CT, abdomen/pelvis — axial view — acquired on Brilliance16 — scan has 14 labeled organs (counted over the whole 3D scan, not this slice; an organ is boxed only where this slice passes through it)
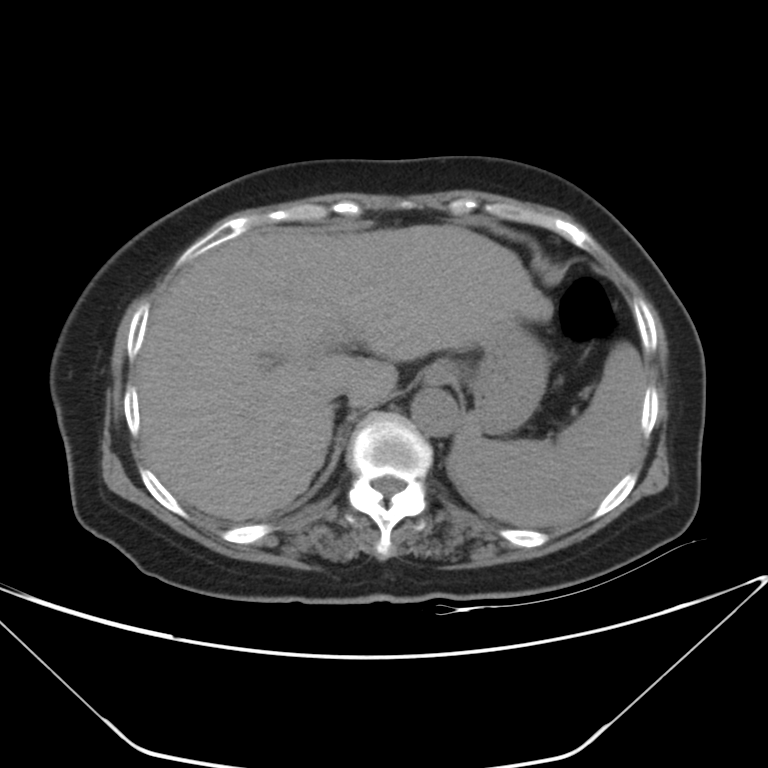

<organs><organ name="spleen" x1="449" y1="342" x2="646" y2="527"/><organ name="esophagus" x1="425" y1="361" x2="457" y2="384"/><organ name="liver" x1="137" y1="225" x2="553" y2="521"/><organ name="stomach" x1="471" y1="322" x2="548" y2="433"/><organ name="aorta" x1="411" y1="388" x2="458" y2="436"/><organ name="inferior vena cava" x1="325" y1="386" x2="352" y2="402"/></organs>